Abdominal CT; Axial slice 138/187; acquired on SOMATOM Force
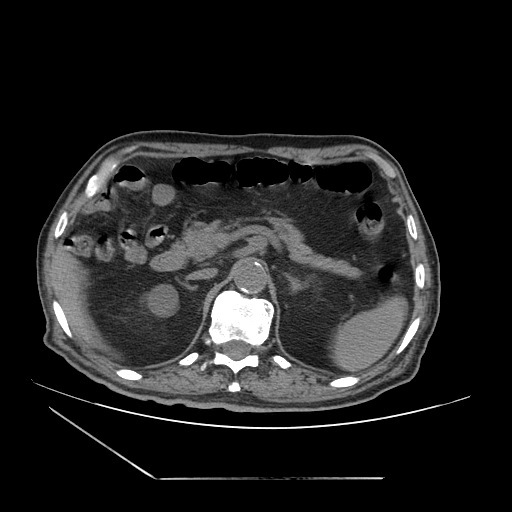

Boxes are (x1, y1, x2, y2) in pixels.
Organ bounding boxes:
- right kidney: (146, 284, 177, 316)
- pancreas: (172, 215, 361, 276)
- aorta: (233, 259, 267, 294)
- liver: (54, 243, 101, 348)
- right adrenal gland: (184, 285, 198, 291)
- duodenum: (151, 248, 186, 270)
- inferior vena cava: (186, 269, 216, 280)
- left adrenal gland: (284, 274, 300, 290)
- spleen: (334, 298, 406, 372)